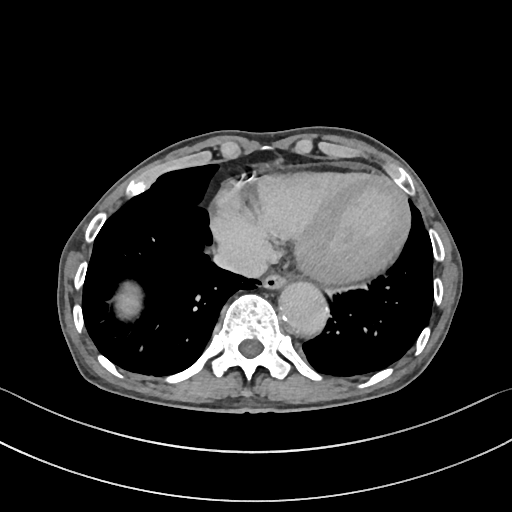 Computed tomography, abdomen · axial view · scan has 15 labeled organs (a whole-scan count: organs this slice does not pass through have no box)
<organs><organ name="esophagus" x1="264" y1="273" x2="287" y2="288"/><organ name="liver" x1="116" y1="283" x2="140" y2="318"/><organ name="inferior vena cava" x1="212" y1="243" x2="266" y2="276"/><organ name="aorta" x1="278" y1="280" x2="328" y2="334"/></organs>